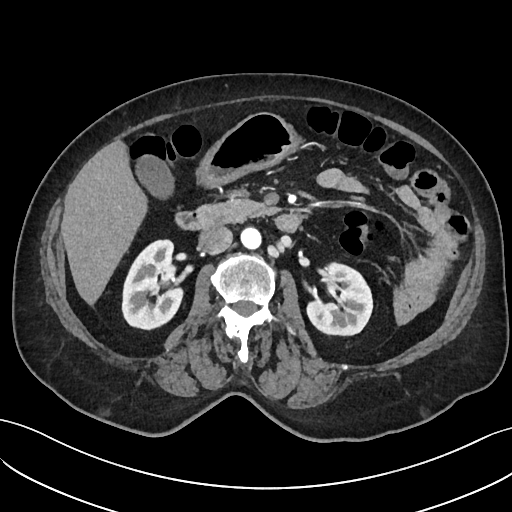 CT abdomen — axial plane, index 121 — W/L 400/40 HU — 512x512 px — SOMATOM Force scanner — 15 organs annotated in this scan (counted over the whole 3D scan, not this slice; an organ is boxed only where this slice passes through it)
{"organs":{"inferior vena cava":[198,226,232,254],"left kidney":[307,262,372,335],"gall bladder":[135,155,174,199],"stomach":[196,112,303,187],"liver":[61,141,147,305],"right kidney":[122,239,182,329],"aorta":[240,227,261,249],"duodenum":[175,211,303,232],"pancreas":[196,197,275,226]}}